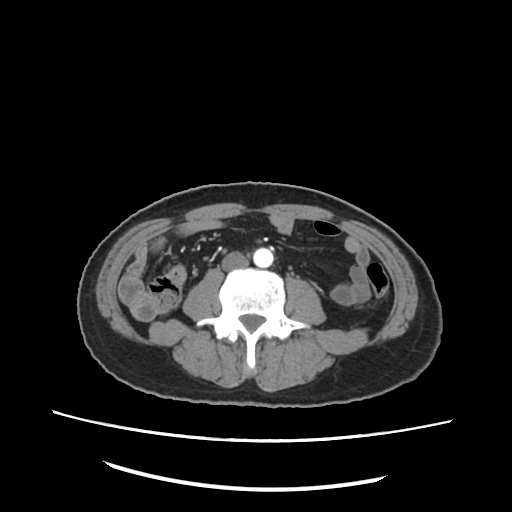
Computed tomography, abdomen; Axial slice 51/98
Bounding boxes in pixels, one row per box: x1, y1 is the top-left corner and x2, y2 the bottom-right.
| organ | x1 | y1 | x2 | y2 |
|---|---|---|---|---|
| inferior vena cava | 222 | 250 | 248 | 272 |
| aorta | 252 | 247 | 274 | 268 |